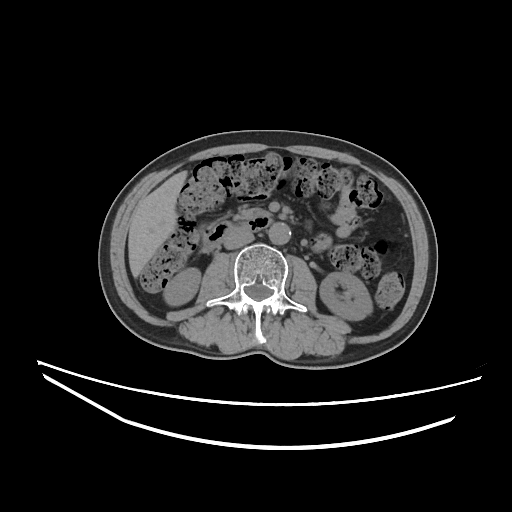

Computed tomography, abdomen — Axial slice 60/89
Boxes: x1 y1 x2 y2 (pixel coords, space-separated).
Organ bounding boxes:
- right kidney: 163 268 200 305
- left kidney: 320 272 372 320
- liver: 128 170 187 277
- aorta: 268 222 290 244
- inferior vena cava: 223 227 254 249
- pancreas: 235 209 263 219
- duodenum: 202 211 272 250